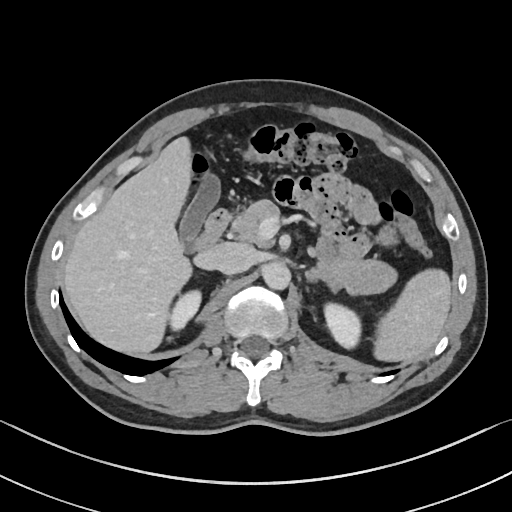
Computed tomography, abdomen. axial view. soft-tissue window. 512x512 px
Box edges are left/top/right/bottom in pixels.
Organ bounding boxes:
- right kidney: left=168, top=289, right=201, bottom=330
- inferior vena cava: left=208, top=243, right=252, bottom=274
- gall bladder: left=178, top=174, right=219, bottom=251
- duodenum: left=195, top=209, right=231, bottom=251
- left adrenal gland: left=305, top=269, right=336, bottom=292
- aorta: left=262, top=261, right=290, bottom=289
- liver: left=64, top=137, right=191, bottom=353
- pancreas: left=232, top=200, right=396, bottom=294
- spleen: left=373, top=269, right=451, bottom=361
- left kidney: left=324, top=303, right=361, bottom=348